Computed tomography, abdomen. axial view. 71-year-old female patient
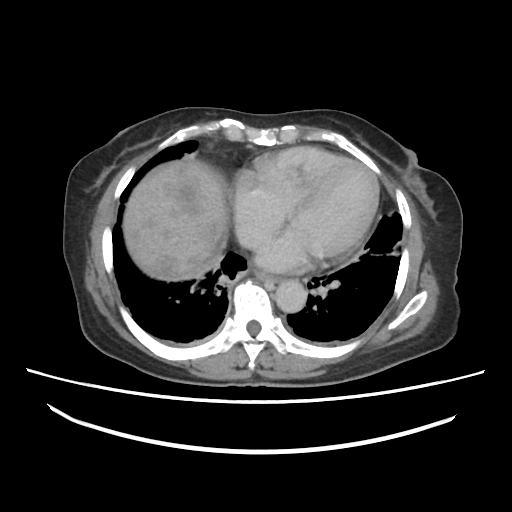

{"organs":{"esophagus":[257,273,277,282],"liver":[122,159,229,281],"aorta":[273,278,305,312],"inferior vena cava":[237,223,273,249]}}